CT, abdomen/pelvis — axial view — acquired on Brilliance16
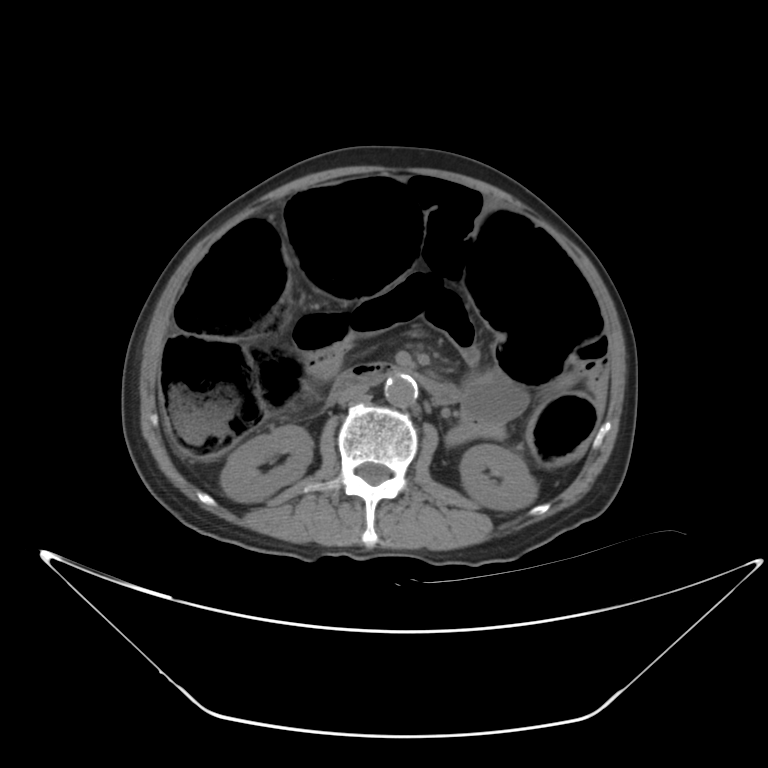 <organs><organ name="right kidney" x1="220" y1="425" x2="312" y2="502"/><organ name="left kidney" x1="460" y1="444" x2="537" y2="510"/><organ name="aorta" x1="384" y1="375" x2="418" y2="407"/><organ name="inferior vena cava" x1="332" y1="385" x2="368" y2="404"/><organ name="duodenum" x1="333" y1="362" x2="459" y2="404"/></organs>